Computed tomography, abdomen. Axial slice 63/122
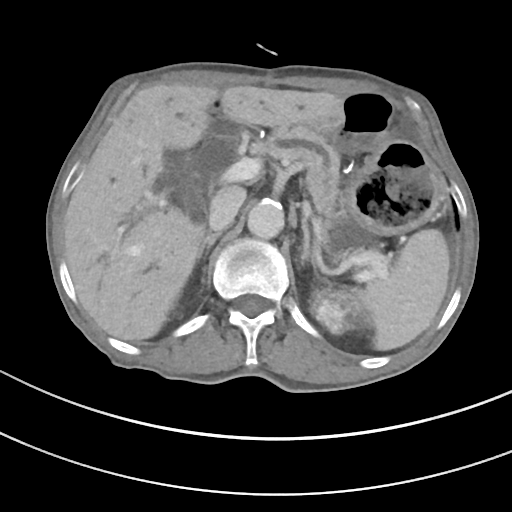 {"organs":{"spleen":[354,229,450,350],"left kidney":[311,288,357,333],"gall bladder":[165,154,207,220],"liver":[65,84,344,340],"stomach":[343,141,442,232],"aorta":[247,199,284,239],"inferior vena cava":[209,188,245,231],"pancreas":[261,126,343,223],"right adrenal gland":[197,233,219,259],"left adrenal gland":[300,217,317,271],"duodenum":[208,120,261,139]}}